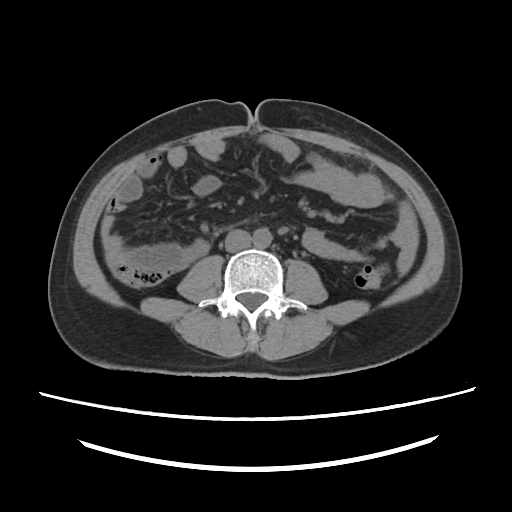
CT abdomen · axial plane, index 43
Boxes: x1 y1 x2 y2 (pixel coords, space-separated).
Organ bounding boxes:
- aorta: 252 228 272 248
- inferior vena cava: 225 229 251 252